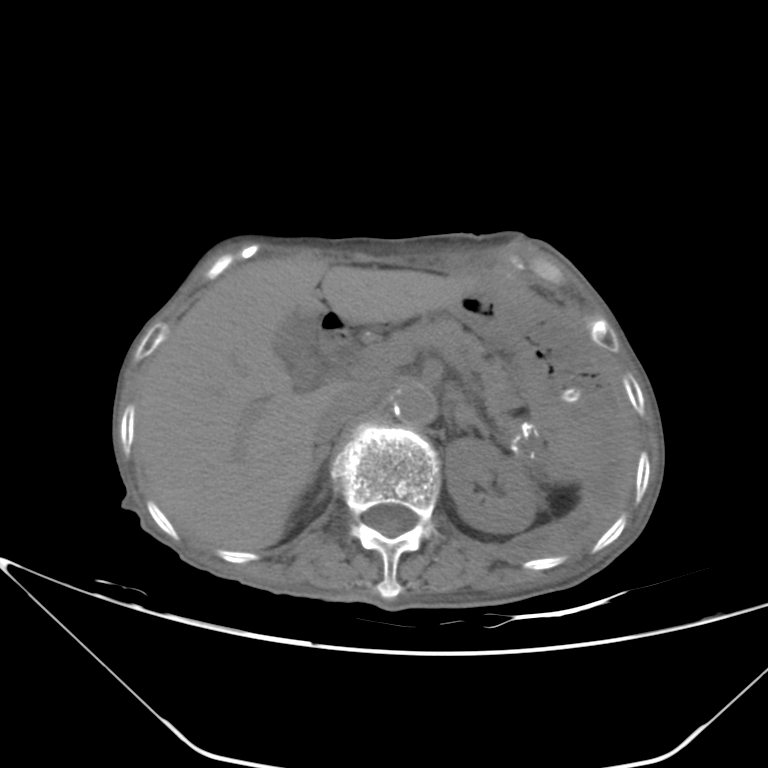

Abdominal CT — Axial slice 67/88 — soft-tissue window (W 400 / L 40) — 80-year-old female patient — acquired on Brilliance16 — 14 organs annotated in this scan (counted over the whole 3D scan, not this slice; an organ is boxed only where this slice passes through it)
{"organs":{"left kidney":[446,438,540,533],"gall bladder":[275,313,320,386],"liver":[134,257,488,550],"stomach":[450,284,612,467],"aorta":[392,382,436,425],"inferior vena cava":[314,386,372,442],"pancreas":[385,317,521,412],"right adrenal gland":[308,409,456,502],"left adrenal gland":[455,403,489,437],"duodenum":[319,316,362,364]}}